Computed tomography, abdomen — axial view — soft-tissue window
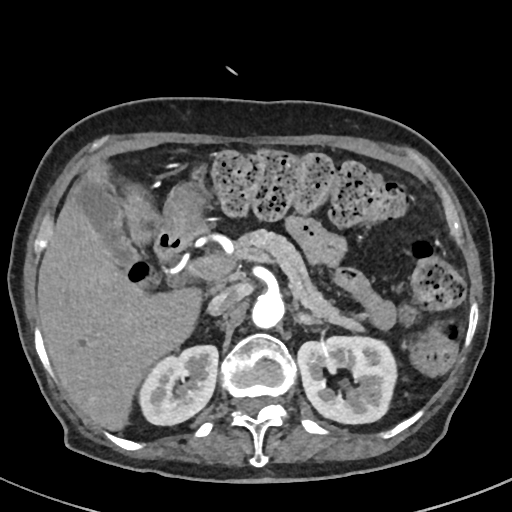 <organs><organ name="right kidney" x1="139" y1="345" x2="218" y2="425"/><organ name="left kidney" x1="297" y1="336" x2="396" y2="423"/><organ name="gall bladder" x1="70" y1="179" x2="137" y2="265"/><organ name="liver" x1="37" y1="160" x2="200" y2="430"/><organ name="stomach" x1="159" y1="186" x2="206" y2="237"/><organ name="aorta" x1="252" y1="291" x2="284" y2="327"/><organ name="inferior vena cava" x1="208" y1="285" x2="244" y2="315"/><organ name="pancreas" x1="235" y1="229" x2="363" y2="331"/><organ name="left adrenal gland" x1="296" y1="312" x2="322" y2="324"/><organ name="duodenum" x1="155" y1="233" x2="193" y2="284"/></organs>